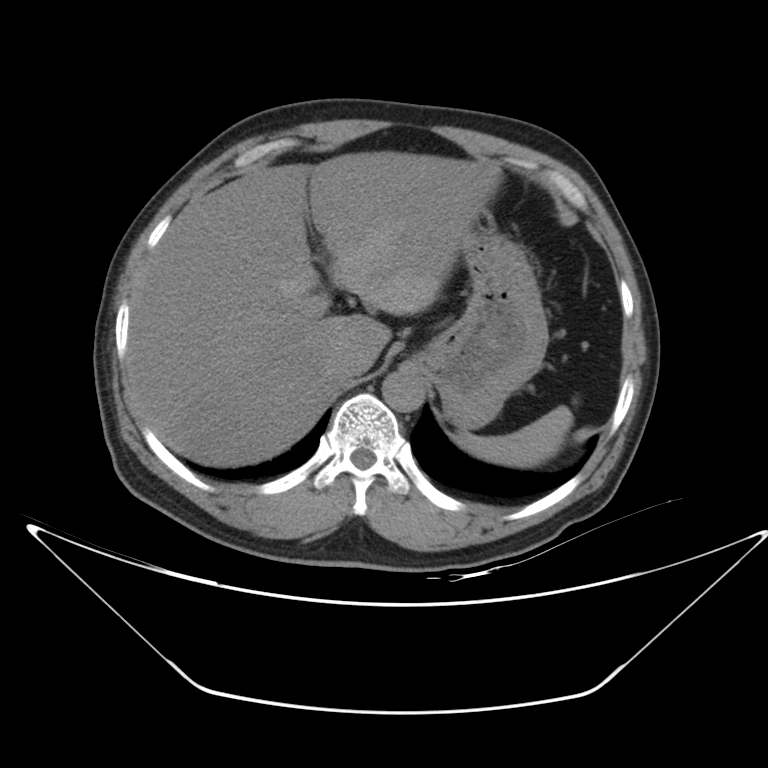 Abdominal CT. axial view. 45-year-old male patient
{"organs":{"spleen":[456,405,572,466],"liver":[128,150,498,465],"stomach":[415,231,549,429],"aorta":[381,369,425,412],"inferior vena cava":[327,346,368,382]}}